Computed tomography, abdomen. Axial slice 130/232
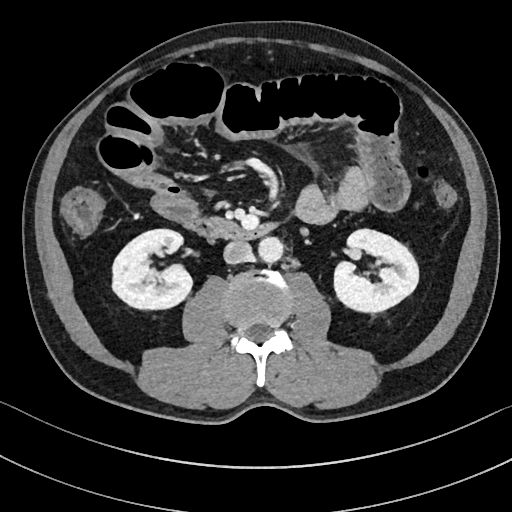 Boxes: x1 y1 x2 y2 (pixel coords, space-separated). 5 labeled organs on this slice — right kidney at 112 229 191 308; left kidney at 334 229 418 314; aorta at 258 236 283 262; inferior vena cava at 223 241 253 264; duodenum at 187 218 273 240.